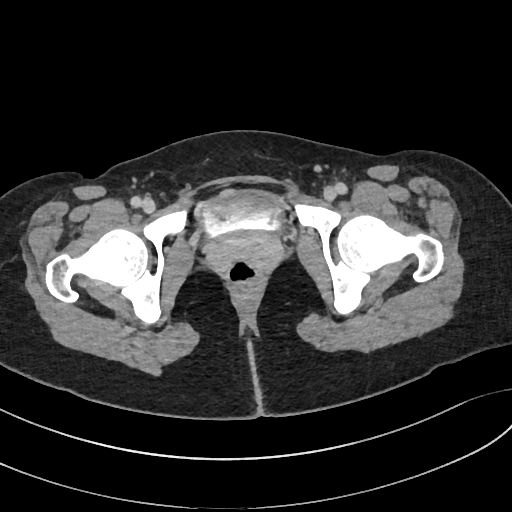
CT abdomen — Axial slice 28/219
One row per box, in pixels: columns x1 and y1 give the top-left corner, x2 and y2 the bottom-right.
| organ | x1 | y1 | x2 | y2 |
|---|---|---|---|---|
| bladder | 202 | 188 | 283 | 235 |